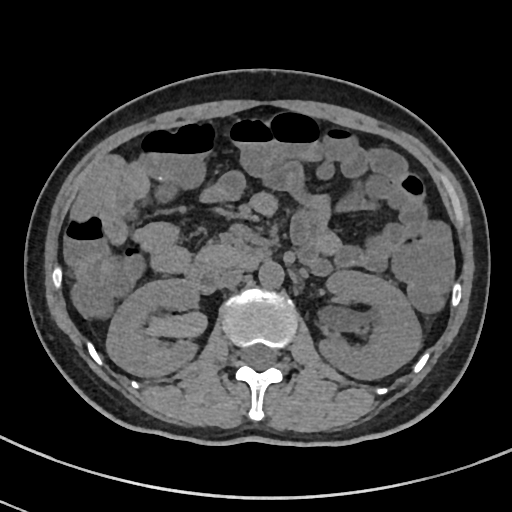
CT abdomen — axial plane, index 147
Box edges are left/top/right/bottom in pixels. 6 labeled organs on this slice — right kidney at left=106, top=279, right=199, bottom=374; left kidney at left=320, top=270, right=421, bottom=378; aorta at left=259, top=260, right=283, bottom=287; inferior vena cava at left=218, top=269, right=243, bottom=287; pancreas at left=198, top=245, right=246, bottom=271; duodenum at left=187, top=249, right=266, bottom=292.